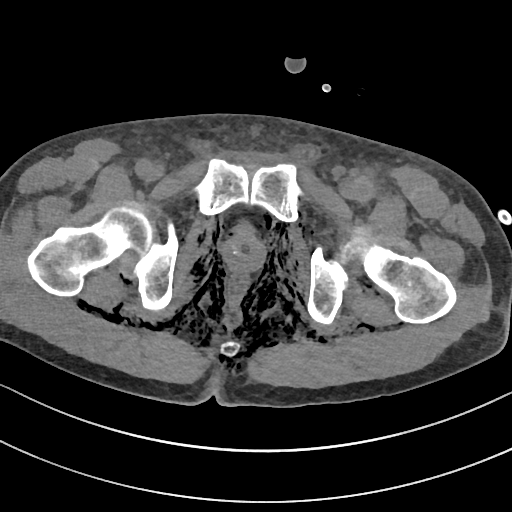 Computed tomography, abdomen; axial view; 15 organs annotated in this scan (a whole-scan count: organs this slice does not pass through have no box)
Coordinates as <box>x1,y1,x2,y2</box> in pixels.
Organ bounding boxes:
- prostate/uterus: <box>223,236,264,270</box>